Chest-level slice from an abdominal CT that extends up into the chest · axial view · 512x512 px · 15 organs annotated in this scan (counted over the whole 3D scan, not this slice; an organ is boxed only where this slice passes through it)
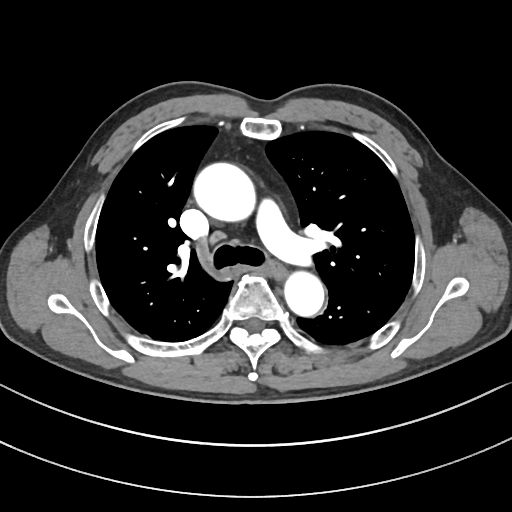 At this level of the chest this dataset labels only the esophagus and the aorta, and each is boxed only where it is labeled; the heart and lungs are never labeled.
{"organs":{"esophagus":[269,261,281,274],"aorta":[[195,164,257,223],[282,268,324,315]]}}